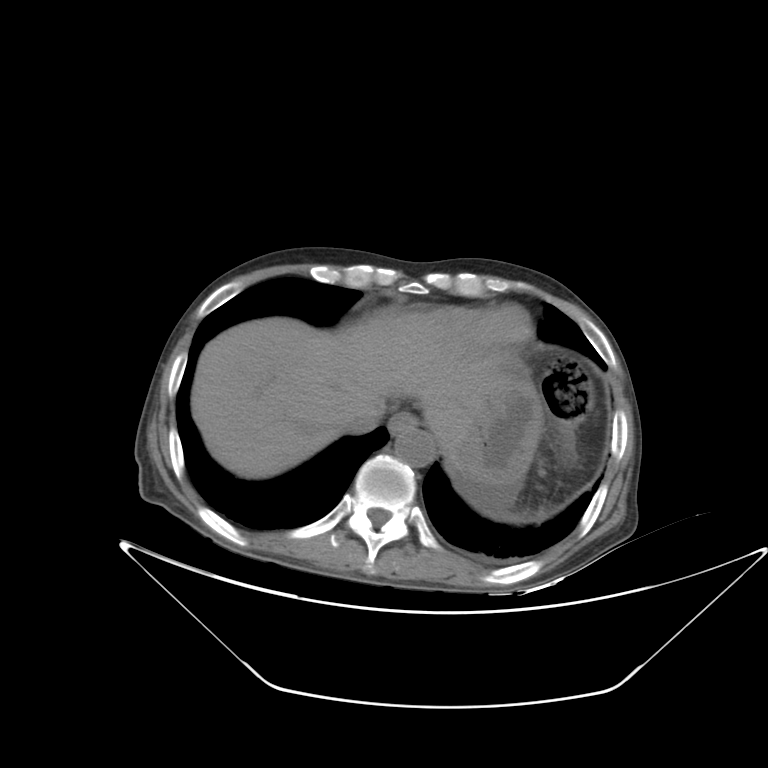
CT abdomen · Axial slice 87/99 · soft-tissue window (W 400 / L 40) · scan has 14 labeled organs (counted over the whole 3D scan, not this slice; an organ is boxed only where this slice passes through it)
Boxes are (x1, y1, x2, y2) in pixels.
Organ bounding boxes:
- stomach: (443, 371, 544, 484)
- liver: (191, 312, 504, 478)
- aorta: (395, 427, 435, 467)
- esophagus: (388, 411, 418, 434)
- inferior vena cava: (342, 396, 385, 433)